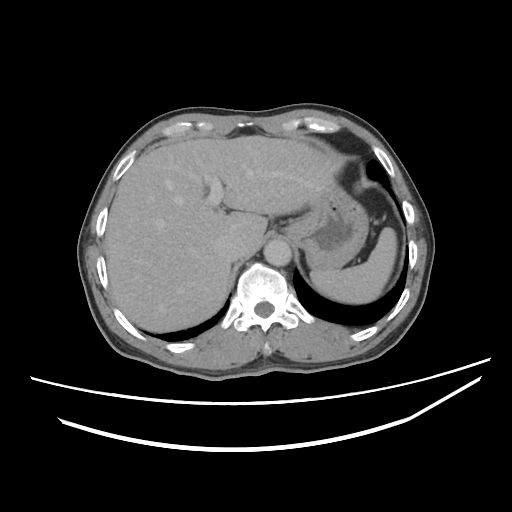

CT abdomen · axial view · 58-year-old male patient
One row per box, in pixels: columns x1 and y1 give the top-left corner, x2 and y2 the bottom-right.
| organ | x1 | y1 | x2 | y2 |
|---|---|---|---|---|
| spleen | 310 | 227 | 396 | 304 |
| liver | 104 | 135 | 335 | 331 |
| stomach | 285 | 181 | 367 | 267 |
| aorta | 264 | 239 | 291 | 266 |
| inferior vena cava | 214 | 233 | 245 | 264 |